Computed tomography, abdomen · axial view · W/L 400/40 HU · 31-year-old female patient
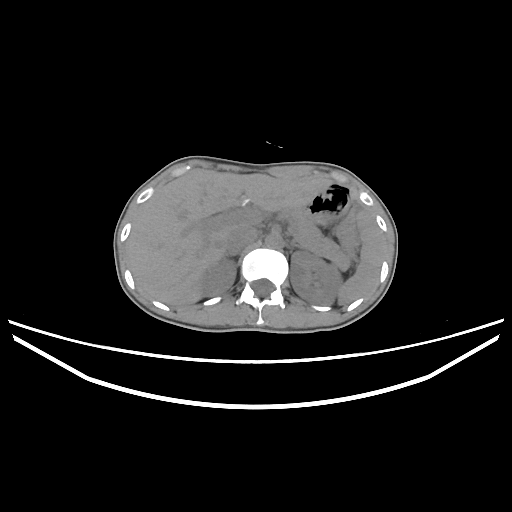
{"organs":{"spleen":[338,212,383,305],"right kidney":[199,259,235,295],"left kidney":[290,251,341,305],"liver":[128,172,331,304],"aorta":[265,233,282,248],"inferior vena cava":[225,224,258,253],"pancreas":[281,210,349,269],"left adrenal gland":[293,244,308,250]}}